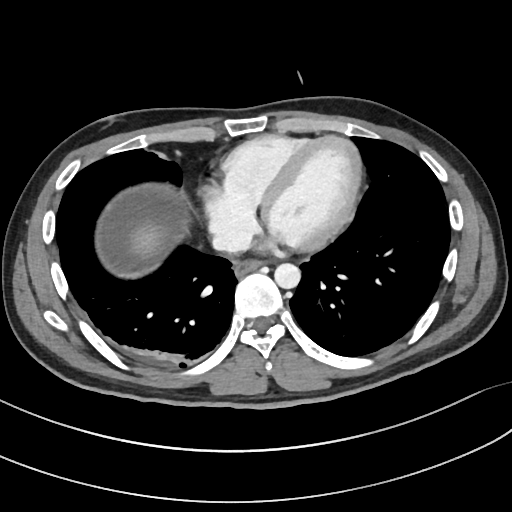

CT abdomen — axial view — W/L 400/40 HU
Bounding boxes as [x1, y1, x2, y2] in pixel coordinates.
Organ bounding boxes:
- esophagus: [234, 262, 259, 277]
- liver: [127, 222, 164, 255]
- aorta: [274, 263, 300, 289]
- inferior vena cava: [212, 226, 250, 252]